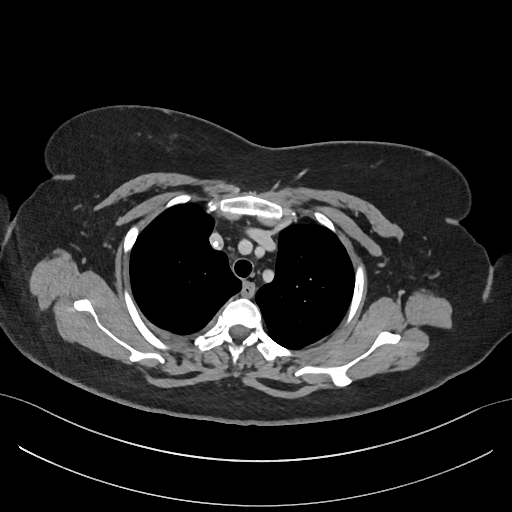 Chest-level slice from an abdominal CT that extends up into the chest — Axial slice 276/305 — 512x512 px — 15 organs annotated in this scan (a whole-scan count: organs this slice does not pass through have no box)
At this level of the chest this dataset labels only the esophagus and the aorta, and each is boxed only where it is labeled; the heart and lungs are never labeled. Each box given as x1,y1,x2,y2. Labeled organs on this slice: esophagus at x1=241, y1=282, x2=253, y2=297.